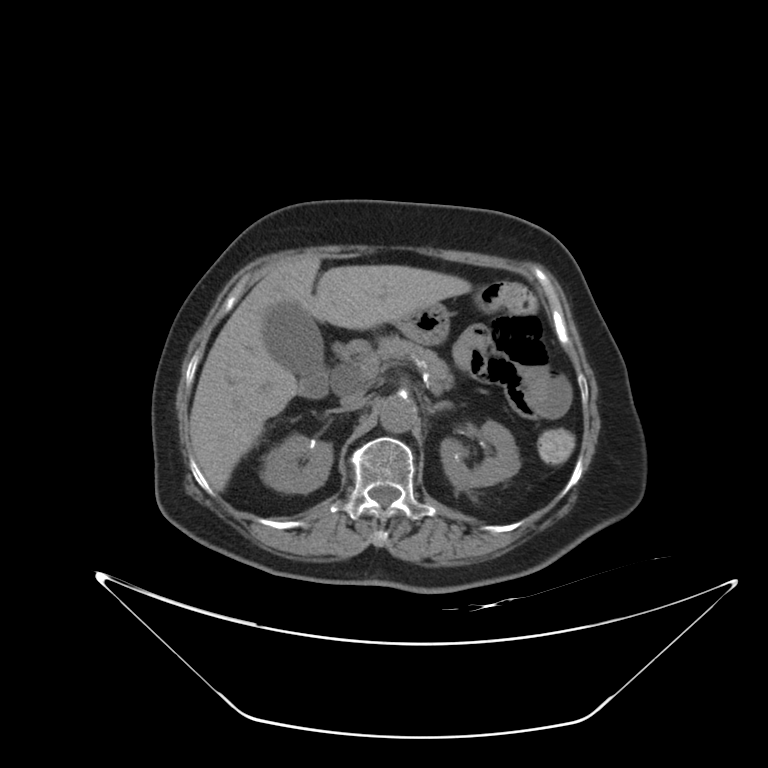

Computed tomography, abdomen. axial view. soft-tissue window (W 400 / L 40). 768x768 px. 78-year-old female patient
Boxes: x1 y1 x2 y2 (pixel coords, space-separated). The annotated organs in this slice are: left kidney at 441 420 520 488, right kidney at 263 433 332 493, pancreas at 347 335 454 394, liver at 190 255 471 491, left adrenal gland at 426 400 453 413, gall bladder at 264 302 323 375, aorta at 379 395 417 432, inferior vena cava at 336 396 366 411, stomach at 396 303 449 344, duodenum at 299 366 328 399.